CT abdomen; Axial slice 9/78; soft-tissue window; 512x512 px
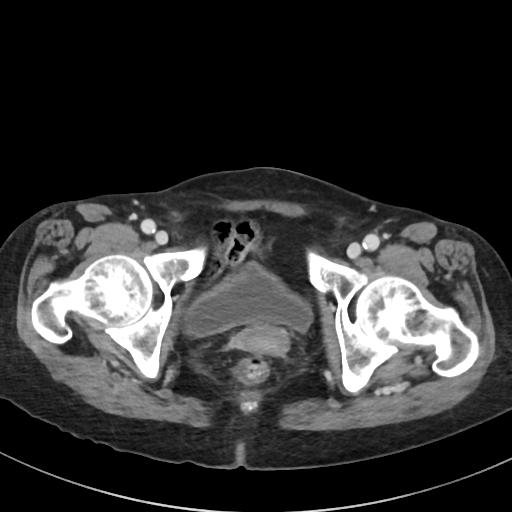 Bounding boxes in pixels, one row per box: x1, y1 is the top-left corner and x2, y2 the bottom-right.
| organ | x1 | y1 | x2 | y2 |
|---|---|---|---|---|
| bladder | 185 | 265 | 312 | 336 |
| prostate/uterus | 233 | 324 | 288 | 355 |